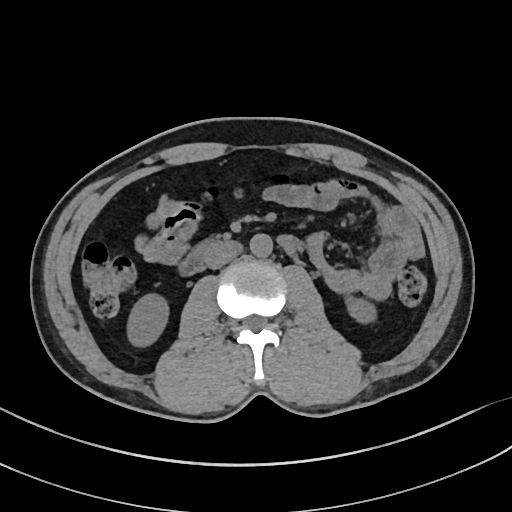

CT abdomen · Axial slice 138/228 · soft-tissue window · SOMATOM Force scanner · scan has 15 labeled organs (counted over the whole 3D scan, not this slice; an organ is boxed only where this slice passes through it)
<organs><organ name="right kidney" x1="129" y1="295" x2="167" y2="344"/><organ name="aorta" x1="249" y1="233" x2="272" y2="256"/><organ name="inferior vena cava" x1="204" y1="243" x2="237" y2="269"/><organ name="left kidney" x1="346" y1="296" x2="375" y2="321"/><organ name="duodenum" x1="182" y1="236" x2="295" y2="273"/></organs>